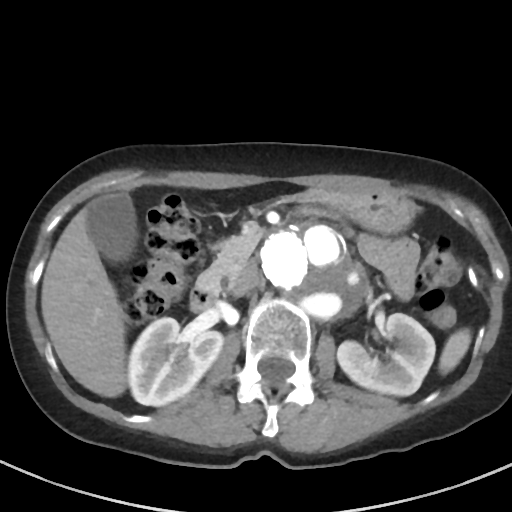
CT abdomen. axial plane, index 50
Coordinates as <box>x1,y1,x2,y2</box> in pixels.
Organ bounding boxes:
- pancreas: <box>196,234,261,289</box>
- inferior vena cava: <box>229,261,260,296</box>
- stomach: <box>289,188,415,233</box>
- left kidney: <box>337,313,435,395</box>
- aorta: <box>261,220,364,319</box>
- spleen: <box>439,328,471,374</box>
- liver: <box>41,208,125,397</box>
- right kidney: <box>128,317,223,406</box>
- duodenum: <box>189,285,219,311</box>
- gall bladder: <box>87,192,137,262</box>